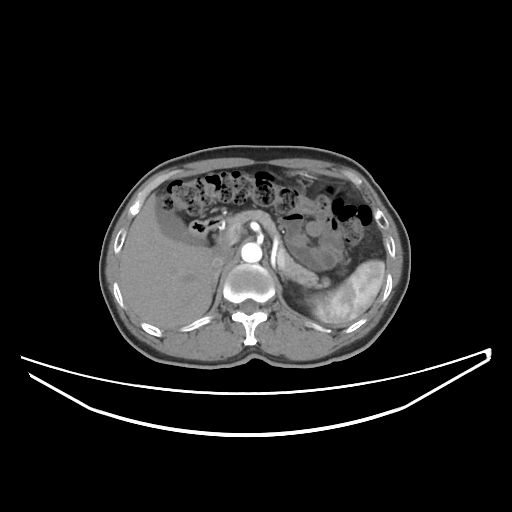 CT abdomen · axial view · soft-tissue window (W 400 / L 40) · acquired on Aquilion ONE
Bounding boxes as [x1, y1, x2, y2] in pixel coordinates.
liver: [119, 193, 214, 329]
gall bladder: [156, 201, 205, 244]
pancreas: [228, 210, 329, 286]
right adrenal gland: [212, 269, 220, 295]
spleen: [314, 260, 385, 326]
duodenum: [189, 217, 222, 237]
left adrenal gland: [278, 268, 289, 281]
left kidney: [308, 296, 319, 307]
inferior vena cava: [211, 245, 234, 269]
aorta: [241, 242, 262, 262]